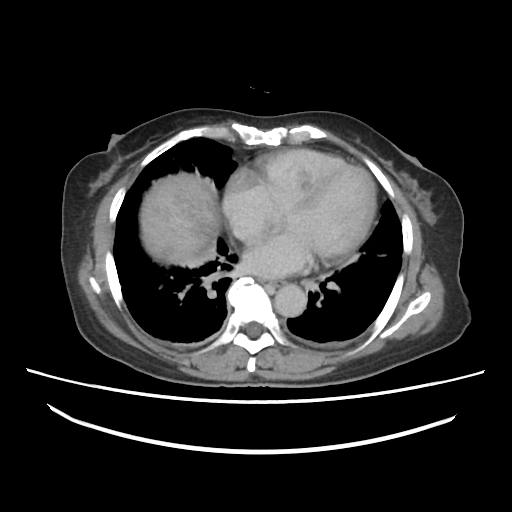

CT abdomen · axial plane, index 92 · 512x512 px · 71-year-old female patient
Boxes: x1 y1 x2 y2 (pixel coords, space-separated).
esophagus: 258 280 285 287
aorta: 276 284 307 316
inferior vena cava: 249 232 254 233
liver: 140 171 221 268